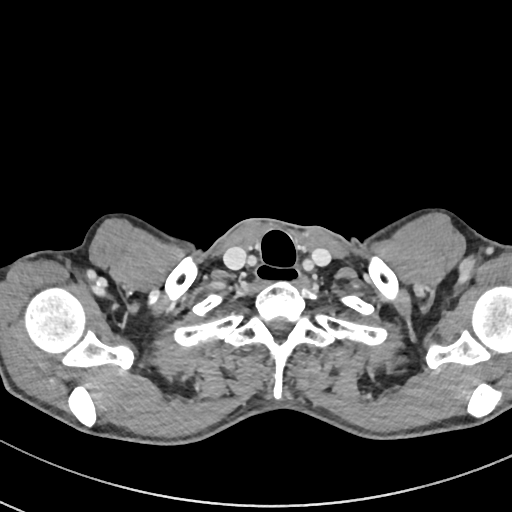
Abdominal CT reaching into the chest; this slice is in the chest. axial view. W/L 400/40 HU
On a slice this high in the chest, this dataset labels only the esophagus and the aorta, and each is boxed only where it is labeled; the heart, lungs and other chest structures are not labeled.
<organs><organ name="esophagus" x1="256" y1="264" x2="299" y2="283"/></organs>